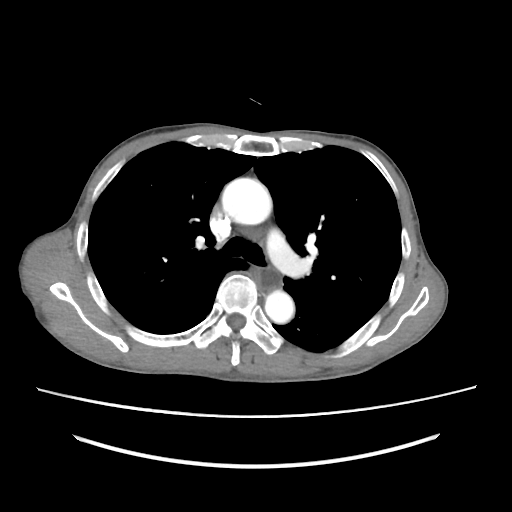
Chest-level slice from an abdominal CT that extends up into the chest. Axial slice 105/126
At this level of the chest no structure but the esophagus and the aorta has a label in this dataset, and those two are boxed only where they are labeled.
One row per box, in pixels: columns x1 and y1 give the top-left corner, x2 and y2 the bottom-right.
| organ | x1 | y1 | x2 | y2 |
|---|---|---|---|---|
| esophagus | 260 | 271 | 281 | 290 |
| aorta | 222 | 178 | 271 | 224 |
| aorta | 264 | 290 | 294 | 323 |